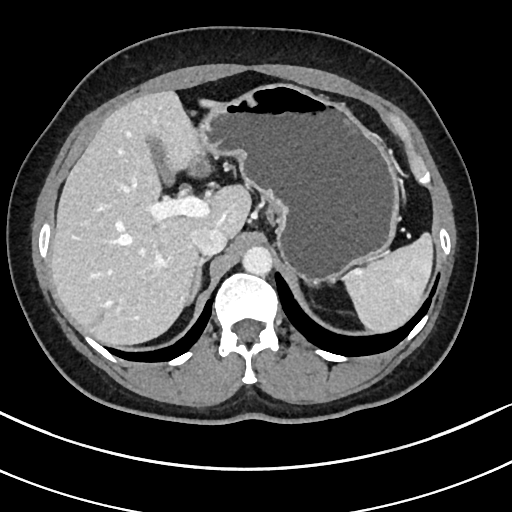

Computed tomography, abdomen. axial view
{"organs":{"spleen":[343,233,433,332],"gall bladder":[144,136,171,181],"liver":[50,90,250,345],"stomach":[190,83,400,284],"aorta":[242,246,272,275],"inferior vena cava":[190,226,227,255],"right adrenal gland":[188,257,209,303]}}